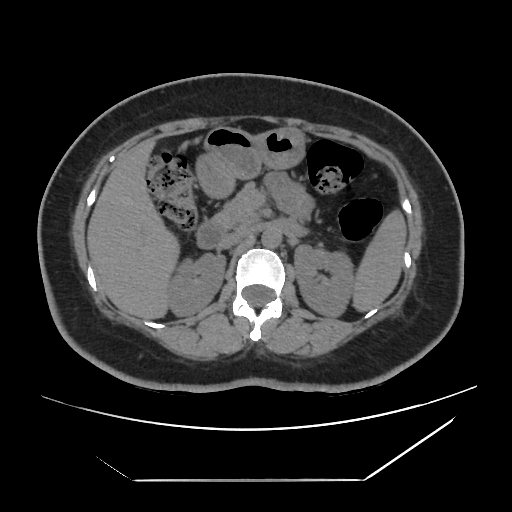

Abdominal CT. axial view. soft-tissue window. acquired on SOMATOM Force
Boxes: x1:y1:x2:y2 in pixels.
Organ bounding boxes:
- spleen: 354:213:405:310
- right kidney: 166:253:224:315
- left kidney: 295:245:355:316
- liver: 88:140:178:318
- stomach: 197:126:304:197
- aorta: 261:228:281:247
- inferior vena cava: 219:229:247:248
- pancreas: 210:183:259:230
- duodenum: 195:222:224:248